Abdominal CT; Axial slice 48/84; acquired on SOMATOM Force
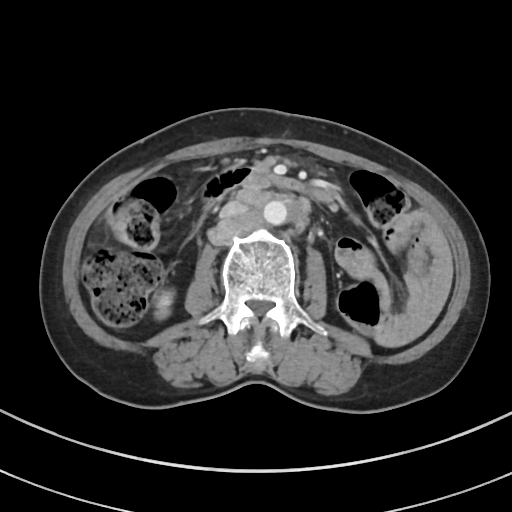 {"organs":{"inferior vena cava":[220,201,248,217],"duodenum":[203,164,306,203],"right kidney":[155,290,173,318],"aorta":[263,200,287,225]}}